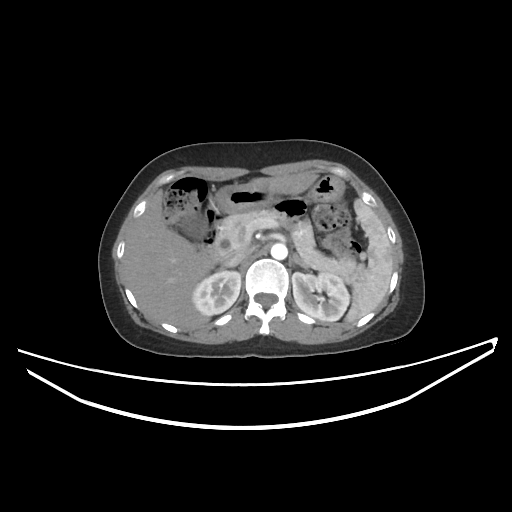
CT abdomen; axial view; W/L 400/40 HU
One row per box, in pixels: columns x1 and y1 give the top-left corner, x2 and y2 the bottom-right.
| organ | x1 | y1 | x2 | y2 |
|---|---|---|---|---|
| spleen | 345 | 199 | 393 | 322 |
| right kidney | 192 | 271 | 240 | 315 |
| left kidney | 292 | 272 | 349 | 321 |
| gall bladder | 182 | 222 | 205 | 237 |
| liver | 123 | 171 | 318 | 329 |
| stomach | 214 | 176 | 344 | 213 |
| aorta | 271 | 243 | 287 | 259 |
| inferior vena cava | 222 | 249 | 251 | 266 |
| pancreas | 221 | 210 | 366 | 284 |
| right adrenal gland | 215 | 266 | 226 | 271 |
| left adrenal gland | 293 | 253 | 308 | 269 |
| duodenum | 200 | 220 | 229 | 263 |